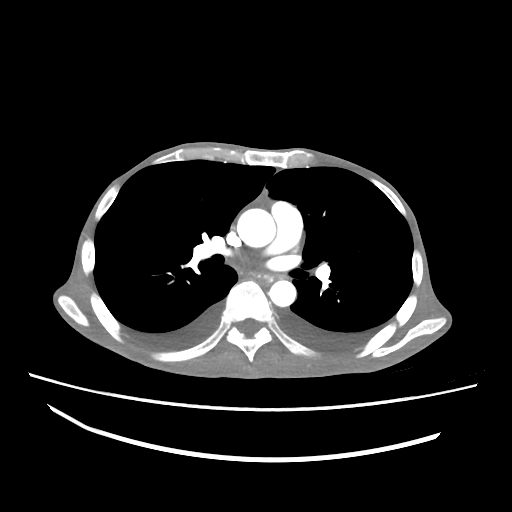 Chest-level CT slice, above the liver and spleen. axial view. soft-tissue window. acquired on Aquilion ONE. scan has 15 labeled organs (counted over the whole 3D scan, not this slice; an organ is boxed only where this slice passes through it)
At this level of the chest this dataset labels only the esophagus and the aorta, and each is boxed only where it is labeled; the heart and lungs are never labeled.
One row per box, in pixels: columns x1 and y1 give the top-left corner, x2 and y2 the bottom-right.
| organ | x1 | y1 | x2 | y2 |
|---|---|---|---|---|
| esophagus | 257 | 273 | 274 | 281 |
| aorta | 237 | 208 | 275 | 247 |
| aorta | 269 | 280 | 296 | 306 |